Computed tomography, abdomen — Axial slice 63/97 — W/L 400/40 HU — scan has 15 labeled organs (a whole-scan count: organs this slice does not pass through have no box)
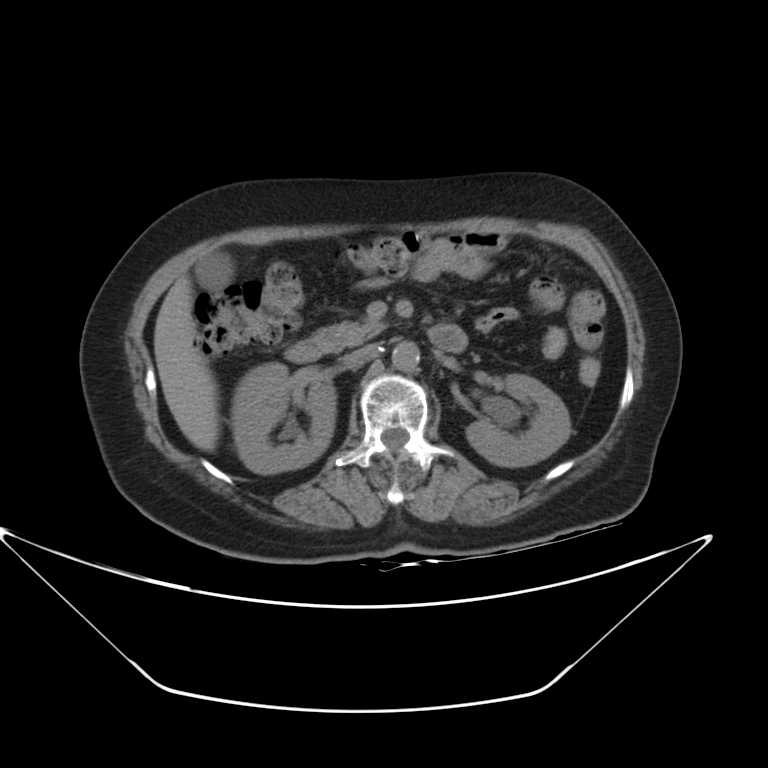
<organs><organ name="left kidney" x1="466" y1="373" x2="570" y2="467"/><organ name="pancreas" x1="314" y1="321" x2="384" y2="351"/><organ name="gall bladder" x1="194" y1="252" x2="233" y2="291"/><organ name="inferior vena cava" x1="341" y1="344" x2="376" y2="363"/><organ name="liver" x1="154" y1="275" x2="219" y2="450"/><organ name="aorta" x1="392" y1="341" x2="419" y2="371"/><organ name="right kidney" x1="234" y1="362" x2="336" y2="473"/><organ name="duodenum" x1="284" y1="325" x2="467" y2="363"/></organs>